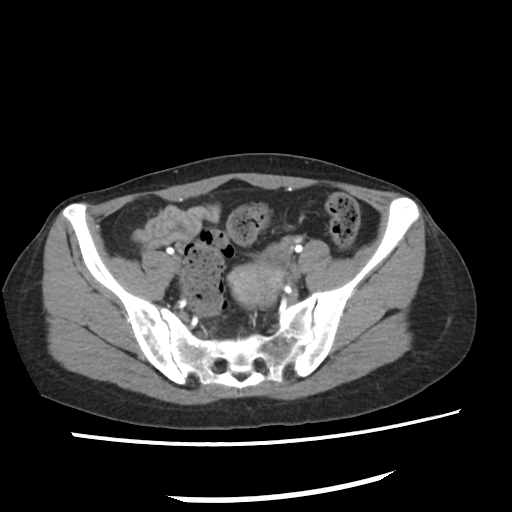

Computed tomography, abdomen; axial view; 34-year-old female patient; 15 organs annotated in this scan (a whole-scan count: organs this slice does not pass through have no box)
Boxes are (x1, y1, x2, y2) in pixels. Labeled organs on this slice: prostate/uterus at (230, 264, 279, 310).